CT abdomen; axial view; 55-year-old male patient
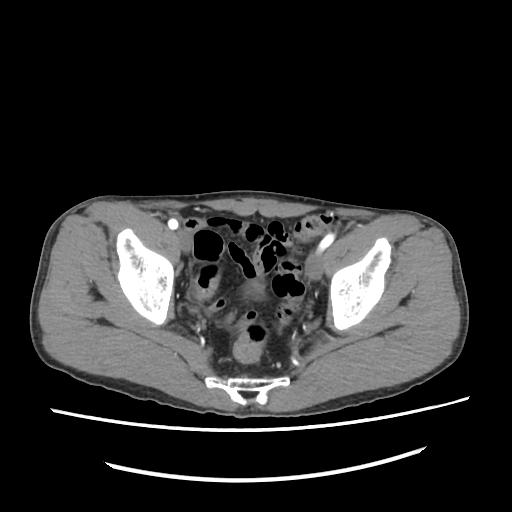 <organs><organ name="bladder" x1="246" y1="281" x2="262" y2="297"/></organs>